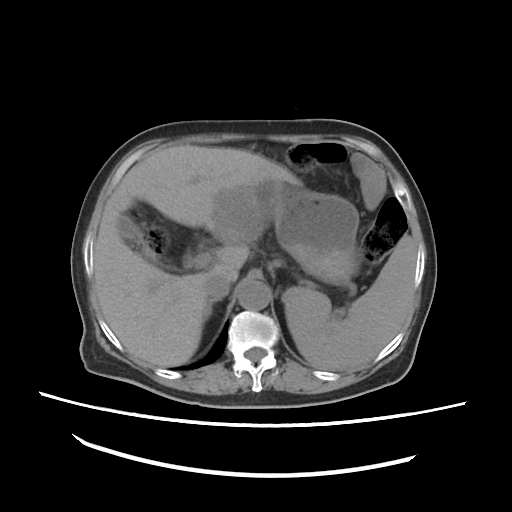

Abdominal CT; axial view
<organs><organ name="liver" x1="94" y1="144" x2="300" y2="366"/><organ name="stomach" x1="275" y1="186" x2="358" y2="287"/><organ name="right adrenal gland" x1="207" y1="300" x2="213" y2="316"/><organ name="aorta" x1="236" y1="280" x2="269" y2="310"/><organ name="inferior vena cava" x1="205" y1="277" x2="231" y2="299"/><organ name="spleen" x1="285" y1="234" x2="417" y2="371"/><organ name="gall bladder" x1="115" y1="214" x2="179" y2="270"/></organs>